Computed tomography, abdomen — axial view — scan has 15 labeled organs (counted over the whole 3D scan, not this slice; an organ is boxed only where this slice passes through it)
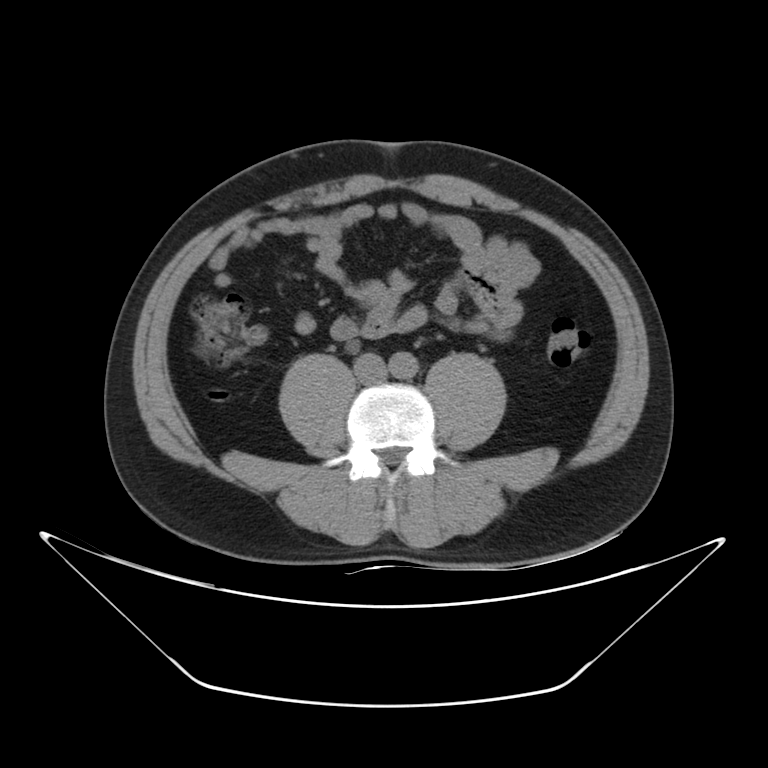 <organs><organ name="aorta" x1="389" y1="352" x2="417" y2="378"/><organ name="inferior vena cava" x1="354" y1="352" x2="386" y2="382"/></organs>